Abdominal CT reaching into the chest; this slice is in the chest · axial plane, index 118 · Aquilion ONE scanner
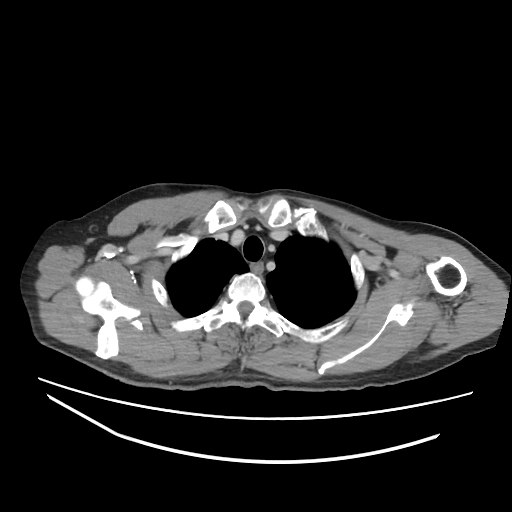

At this level of the chest this dataset labels only the esophagus and the aorta, and each is boxed only where it is labeled; the heart and lungs are never labeled.
Boxes are (x1, y1, x2, y2) in pixels.
Organ bounding boxes:
- esophagus: (251, 262, 264, 273)